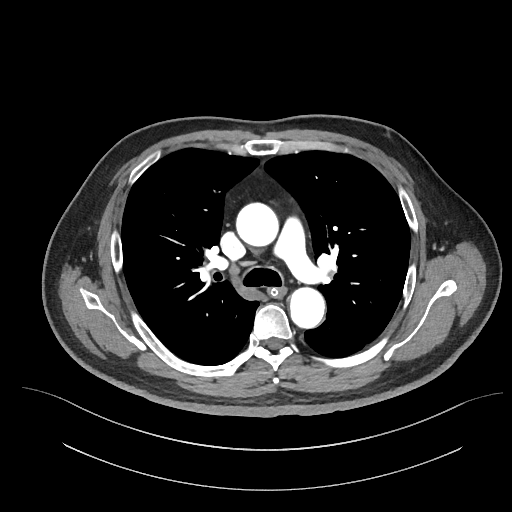 CT of the abdomen extending into the chest, slice through the chest · Axial slice 274/333
On a slice this high in the chest, this dataset labels only the esophagus and the aorta, and each is boxed only where it is labeled; the heart, lungs and other chest structures are not labeled. Box edges are left/top/right/bottom in pixels. 2 labeled organs on this slice — esophagus at left=270, top=286, right=285, bottom=296; aorta at left=236, top=203, right=279, bottom=247; aorta at left=289, top=286, right=325, bottom=327.